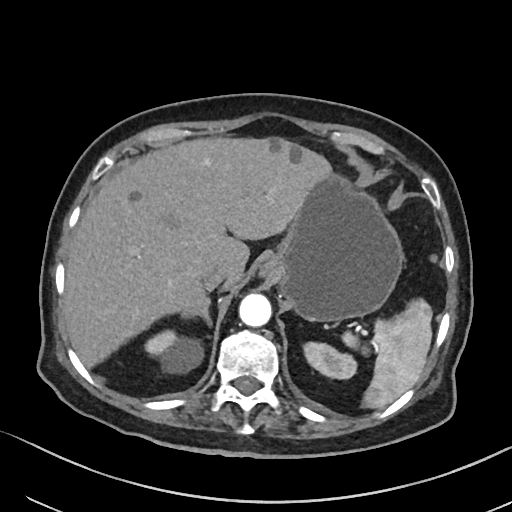 CT, abdomen/pelvis; Axial slice 189/297; W/L 400/40 HU
<organs><organ name="spleen" x1="342" y1="298" x2="432" y2="408"/><organ name="right kidney" x1="144" y1="329" x2="203" y2="373"/><organ name="left kidney" x1="303" y1="342" x2="356" y2="379"/><organ name="liver" x1="64" y1="137" x2="331" y2="367"/><organ name="stomach" x1="261" y1="173" x2="404" y2="322"/><organ name="aorta" x1="239" y1="293" x2="271" y2="326"/><organ name="inferior vena cava" x1="203" y1="265" x2="229" y2="291"/><organ name="right adrenal gland" x1="182" y1="297" x2="212" y2="326"/></organs>